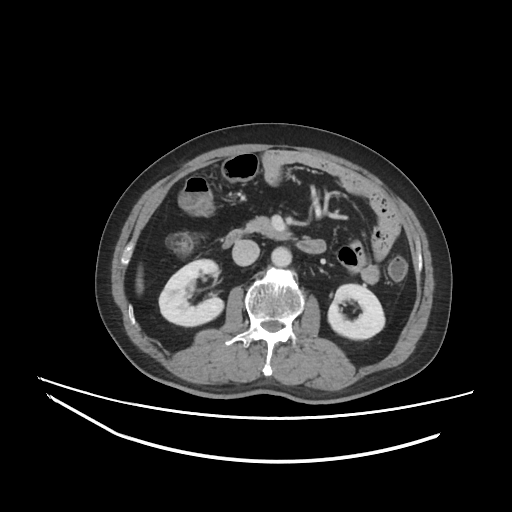

Abdominal CT · axial view · W/L 400/40 HU · 512x512 px · Aquilion ONE scanner · 15 organs annotated in this scan (counted over the whole 3D scan, not this slice; an organ is boxed only where this slice passes through it)
<organs><organ name="left kidney" x1="328" y1="284" x2="384" y2="339"/><organ name="inferior vena cava" x1="232" y1="239" x2="259" y2="265"/><organ name="aorta" x1="271" y1="246" x2="291" y2="266"/><organ name="duodenum" x1="223" y1="229" x2="325" y2="253"/><organ name="pancreas" x1="246" y1="216" x2="289" y2="239"/><organ name="liver" x1="136" y1="270" x2="142" y2="292"/><organ name="right kidney" x1="159" y1="259" x2="223" y2="326"/></organs>